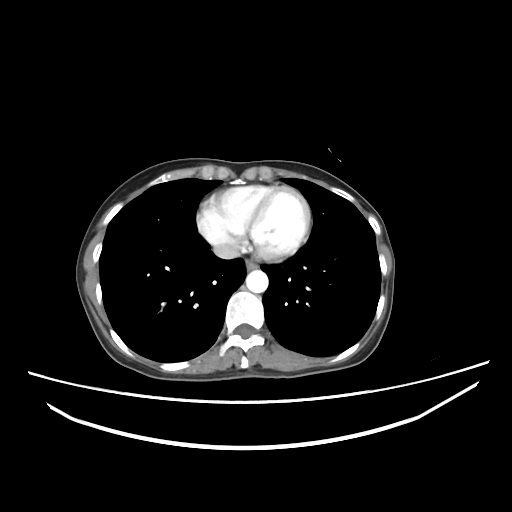 Lower-chest slice from an abdominal CT, just above the liver and spleen · axial view · soft-tissue window · 512x512 px · Aquilion ONE scanner
The heart and lungs are never labeled in this dataset, so they have no box on this slice.
<organs><organ name="esophagus" x1="246" y1="260" x2="257" y2="270"/><organ name="aorta" x1="246" y1="270" x2="268" y2="292"/><organ name="inferior vena cava" x1="213" y1="242" x2="239" y2="259"/></organs>